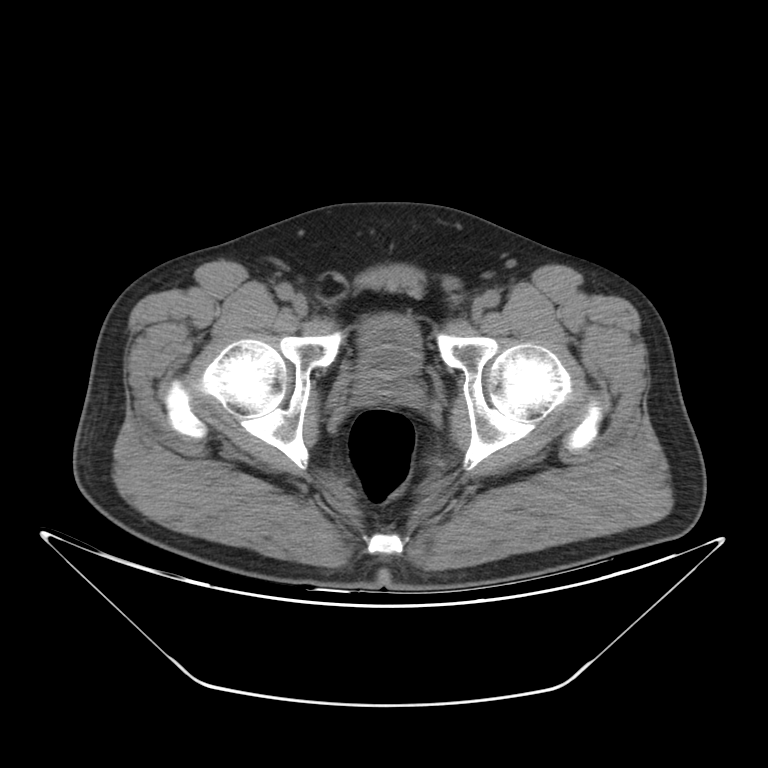 CT abdomen — axial view — soft-tissue window (W 400 / L 40)
Boxes: x1:y1:x2:y2 in pixels.
Organ bounding boxes:
- bladder: 359:314:422:376
- prostate/uterus: 365:375:405:395